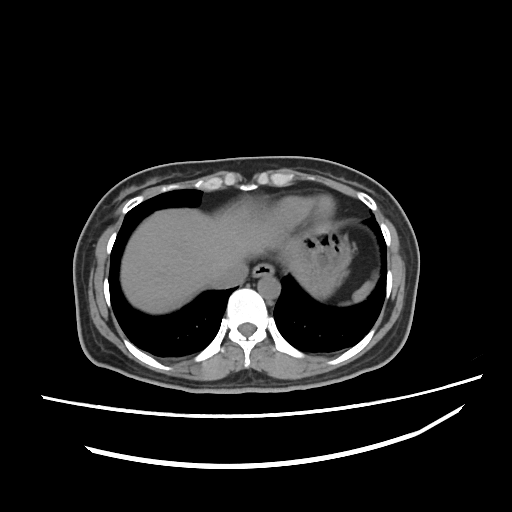
CT, abdomen/pelvis; axial view; abdomen soft-tissue window; 512x512 px
Bounding boxes as [x1, y1, x2, y2] in pixel coordinates.
Organ bounding boxes:
- spleen: [341, 269, 380, 304]
- esophagus: [253, 263, 273, 277]
- liver: [120, 198, 307, 314]
- stomach: [298, 223, 352, 298]
- aorta: [257, 273, 279, 297]
- inferior vena cava: [209, 259, 248, 289]